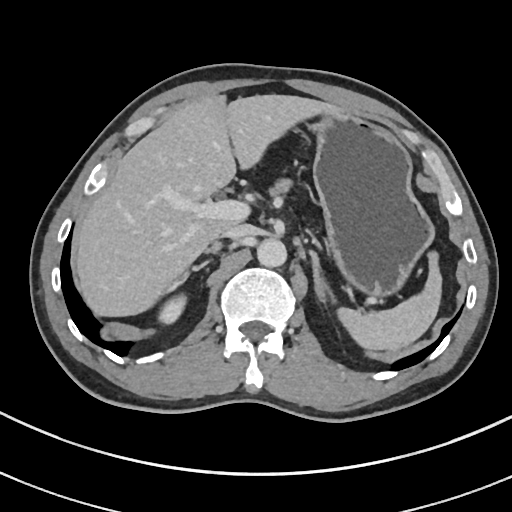
CT abdomen; axial view; acquired on SOMATOM Force
Coordinates as <box>x1,y1,x2,y2</box> in pixels. Labeled organs on this slice: spleen at <box>338,251,442,350</box>, inferior vena cava at <box>220,224,254,238</box>, liver at <box>75,94,338,316</box>, left adrenal gland at <box>309,251,335,303</box>, stomach at <box>308,109,434,297</box>, aorta at <box>257,238,286,267</box>, pancreas at <box>271,179,290,194</box>, right adrenal gland at <box>205,242,221,253</box>, right kidney at <box>157,293,186,324</box>.